CT abdomen · axial plane, index 119 · W/L 400/40 HU · 512x512 px · SOMATOM Force scanner
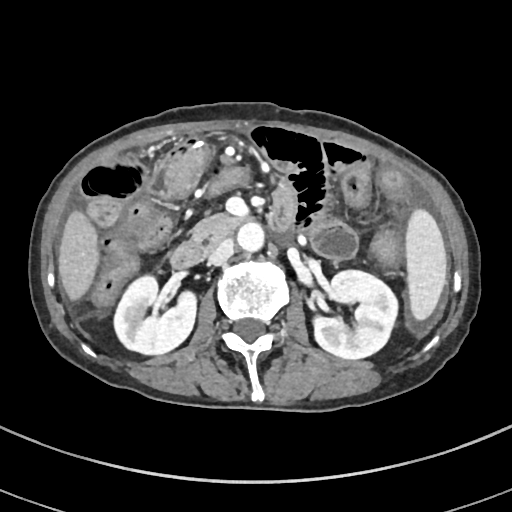
Boxes: x1:y1:x2:y2 in pixels.
spleen: 405:208:447:320
right kidney: 114:275:196:354
left kidney: 313:270:397:359
liver: 58:210:99:299
aorta: 238:222:264:252
inferior vena cava: 208:238:235:265
pancreas: 192:213:247:244
duodenum: 170:183:295:268